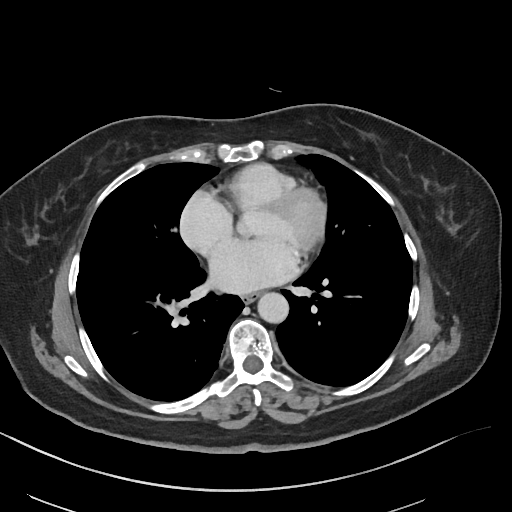 CT of the abdomen reaching into the lower chest, slice just above the liver and spleen — axial view — scan has 15 labeled organs (a whole-scan count: organs this slice does not pass through have no box)
Of the structures in the chest, this dataset labels only the esophagus, the aorta and the inferior vena cava; the heart and lungs have no label.
{"organs":{"aorta":[258,293,289,323],"esophagus":[242,293,260,303]}}